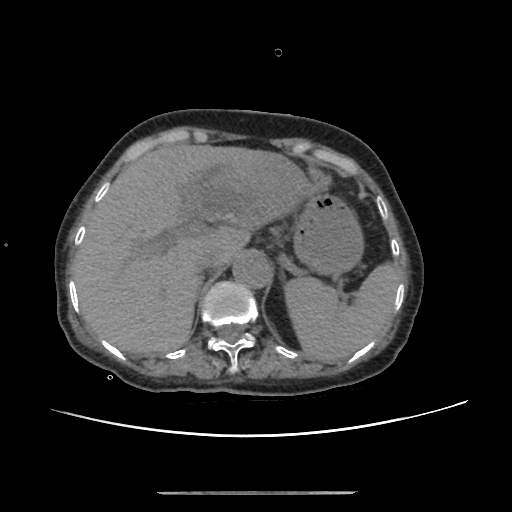

Abdominal CT. axial plane, index 276. W/L 400/40 HU. SOMATOM Force scanner
One row per box, in pixels: columns x1 and y1 give the top-left corner, x2 and y2 the bottom-right.
| organ | x1 | y1 | x2 | y2 |
|---|---|---|---|---|
| stomach | 293 | 195 | 361 | 273 |
| inferior vena cava | 195 | 251 | 219 | 278 |
| spleen | 287 | 264 | 400 | 362 |
| liver | 71 | 144 | 315 | 353 |
| aorta | 232 | 252 | 270 | 287 |